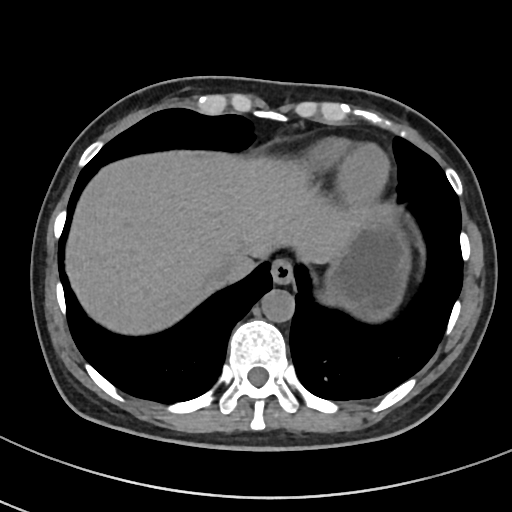

CT abdomen · Axial slice 200/218 · soft-tissue window · 512x512 px · 15 organs annotated in this scan (that count is for the whole scan; organs this slice misses have no box)
Boxes are (x1, y1, x2, y2) in pixels. Labeled organs on this slice: liver at (66, 151, 356, 334), aorta at (261, 289, 294, 322), inferior vena cava at (209, 262, 234, 285), esophagus at (271, 259, 293, 283), stomach at (321, 221, 411, 321).